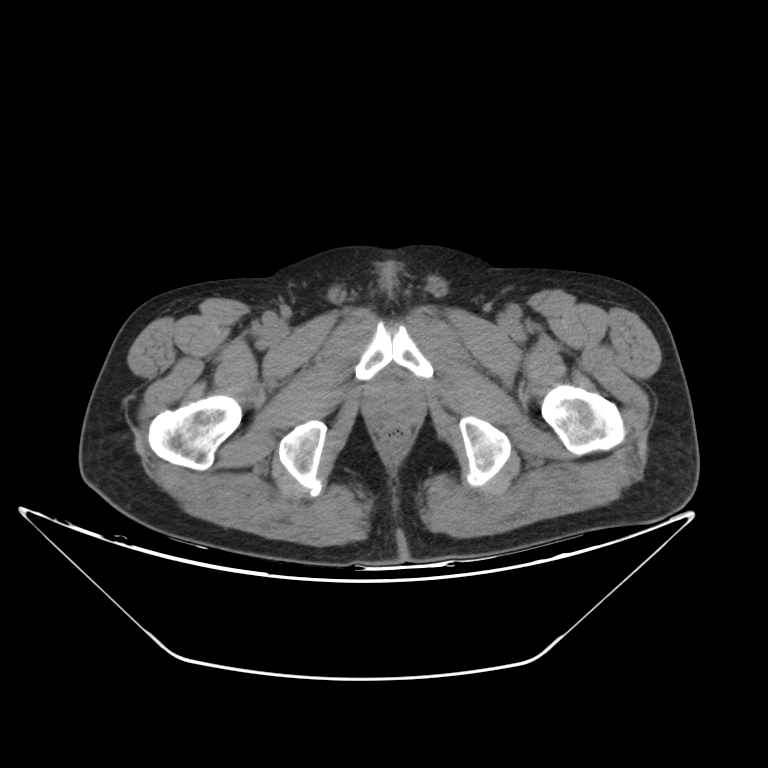
CT abdomen — Axial slice 17/101 — W/L 400/40 HU — 71-year-old male patient
<organs><organ name="prostate/uterus" x1="365" y1="377" x2="421" y2="428"/></organs>